Abdominal CT reaching into the chest; this slice is in the chest; axial view; W/L 400/40 HU
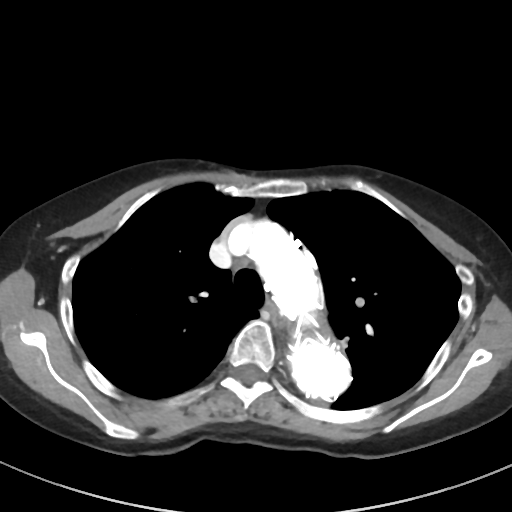
At this level of the chest this dataset labels only the esophagus and the aorta, and each is boxed only where it is labeled; the heart and lungs are never labeled.
Bounding boxes as [x1, y1, x2, y2] in pixel coordinates.
esophagus: [267, 300, 284, 327]
aorta: [251, 222, 351, 402]